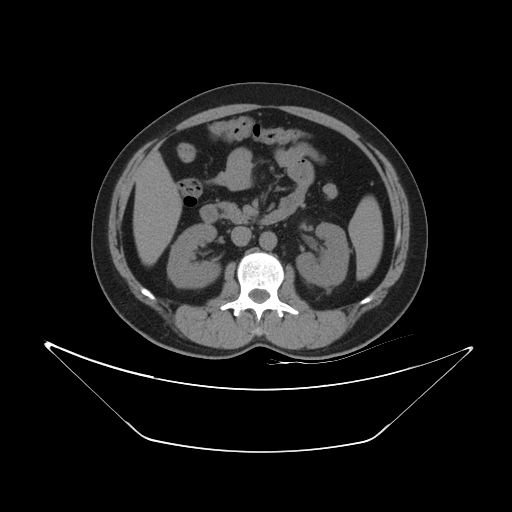

CT abdomen; Axial slice 58/83
Boxes are (x1, y1, x2, y2) in pixels.
Organ bounding boxes:
- spleen: (348, 195, 382, 280)
- right kidney: (167, 223, 220, 288)
- left kidney: (296, 223, 349, 286)
- liver: (133, 151, 181, 265)
- aorta: (259, 231, 276, 249)
- inferior vena cava: (231, 226, 251, 246)
- pancreas: (218, 202, 251, 223)
- duodenum: (199, 204, 286, 225)